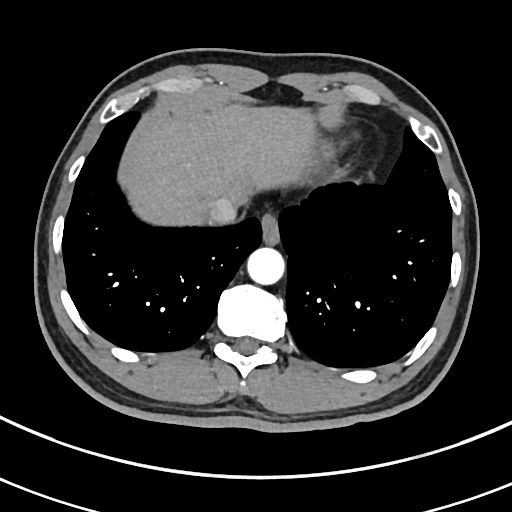

Abdominal CT · Axial slice 184/302 · W/L 400/40 HU
Boxes: x1:y1:x2:y2 in pixels. 4 labeled organs on this slice — esophagus at 260:213:279:243; liver at 130:104:316:225; aorta at 247:247:284:284; inferior vena cava at 207:197:237:224.